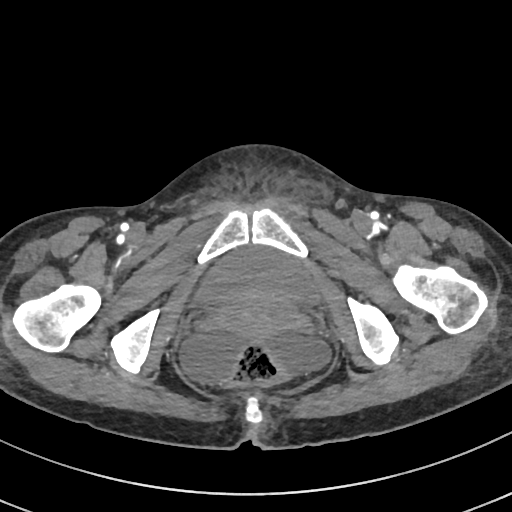
Computed tomography, abdomen · axial view · 512x512 px · scan has 15 labeled organs (that count is for the whole scan; organs this slice misses have no box)
Bounding boxes in pixels, one row per box: x1, y1 is the top-left corner and x2, y2 the bottom-right.
| organ | x1 | y1 | x2 | y2 |
|---|---|---|---|---|
| prostate/uterus | 223 | 292 | 289 | 339 |
| bladder | 196 | 248 | 318 | 304 |